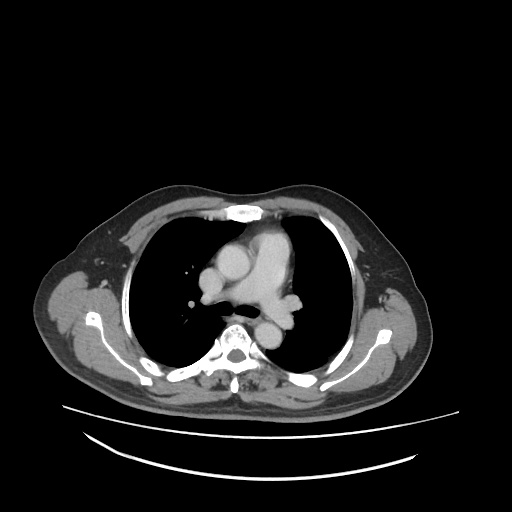

Chest-level slice from an abdominal CT that extends up into the chest — axial view — 66-year-old male patient — scan has 15 labeled organs (a whole-scan count: organs this slice does not pass through have no box)
On a slice this high in the chest, this dataset labels only the esophagus and the aorta, and each is boxed only where it is labeled; the heart, lungs and other chest structures are not labeled.
<organs><organ name="esophagus" x1="244" y1="316" x2="260" y2="323"/><organ name="aorta" x1="219" y1="246" x2="250" y2="277"/><organ name="aorta" x1="255" y1="322" x2="281" y2="348"/></organs>